Abdominal CT — axial view — W/L 400/40 HU — 512x512 px
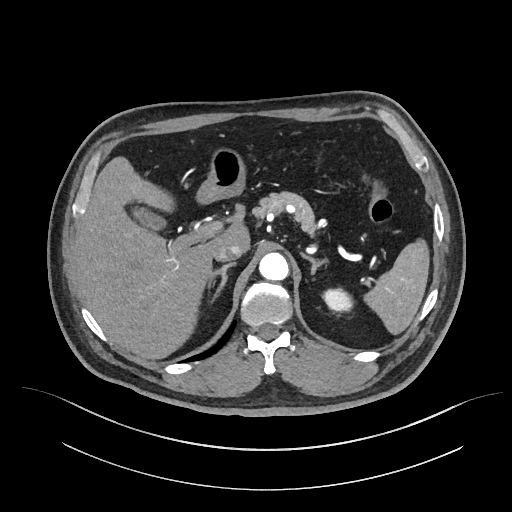

Boxes: x1 y1 x2 y2 (pixel coords, space-separated). The annotated organs in this slice are: spleen at 365 240 429 334, left kidney at 322 286 352 312, gall bladder at 127 202 167 229, liver at 76 157 248 359, stomach at 195 150 243 205, aorta at 259 252 288 280, inferior vena cava at 214 245 242 261, pancreas at 252 190 317 237, right adrenal gland at 208 262 236 297, left adrenal gland at 300 253 328 273.